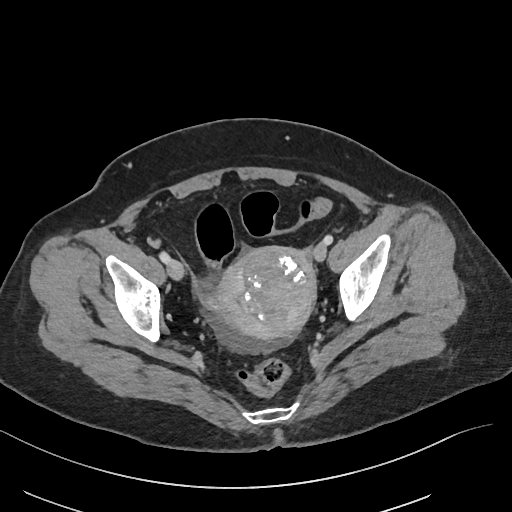

Abdominal CT · axial view · soft-tissue window (W 400 / L 40) · scan has 15 labeled organs (a whole-scan count: organs this slice does not pass through have no box)
<organs><organ name="prostate/uterus" x1="217" y1="247" x2="315" y2="339"/></organs>